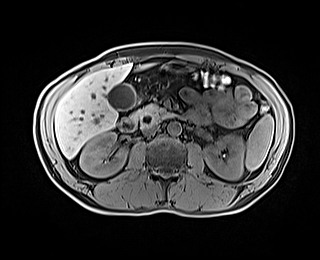
Magnetic resonance imaging, abdomen. axial plane, index 34. 1st–99th percentile window
<organs><organ name="right kidney" x1="79" y1="132" x2="127" y2="177"/><organ name="inferior vena cava" x1="143" y1="125" x2="159" y2="135"/><organ name="gall bladder" x1="106" y1="83" x2="135" y2="110"/><organ name="left kidney" x1="204" y1="135" x2="244" y2="179"/><organ name="duodenum" x1="118" y1="116" x2="136" y2="131"/><organ name="aorta" x1="167" y1="122" x2="181" y2="135"/><organ name="pancreas" x1="131" y1="103" x2="174" y2="127"/><organ name="liver" x1="55" y1="63" x2="156" y2="158"/><organ name="spleen" x1="245" y1="116" x2="274" y2="170"/><organ name="stomach" x1="162" y1="62" x2="192" y2="71"/></organs>